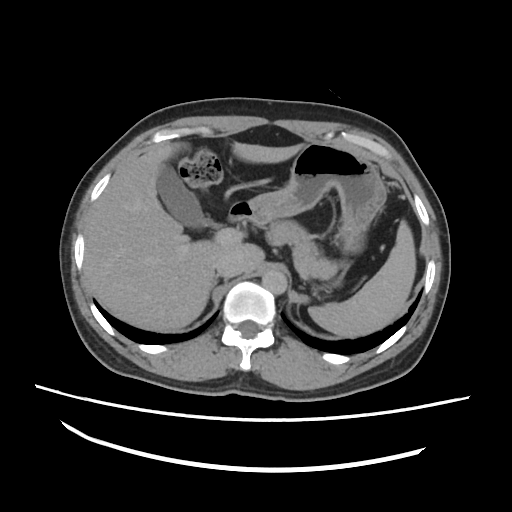
Computed tomography, abdomen — axial view — abdomen soft-tissue window — 512x512 px — 44-year-old male patient
Organ boxes in pixel coordinates; each row gives the top-left (x1, y1) and bottom-right (x2, y2) corners.
| organ | x1 | y1 | x2 | y2 |
|---|---|---|---|---|
| spleen | 306 | 219 | 415 | 337 |
| gall bladder | 157 | 163 | 214 | 228 |
| liver | 84 | 142 | 305 | 329 |
| stomach | 249 | 140 | 386 | 251 |
| aorta | 262 | 271 | 286 | 293 |
| inferior vena cava | 216 | 253 | 245 | 277 |
| pancreas | 249 | 188 | 336 | 279 |
| right adrenal gland | 214 | 277 | 215 | 285 |
| duodenum | 227 | 202 | 267 | 225 |